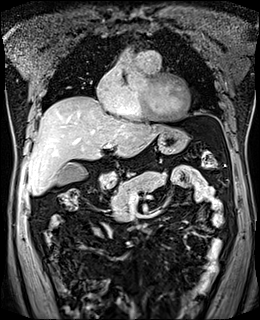
MRI, abdomen; coronal plane, index 88; scan has 13 labeled organs (a whole-scan count: organs this slice does not pass through have no box)
Box edges are left/top/right/bottom in pixels.
Organ bounding boxes:
- pancreas: left=111, top=171, right=166, bottom=221
- duodenum: left=102, top=183, right=113, bottom=188
- gall bladder: left=56, top=162, right=87, bottom=185
- stomach: left=98, top=127, right=189, bottom=185
- liver: left=27, top=96, right=166, bottom=195